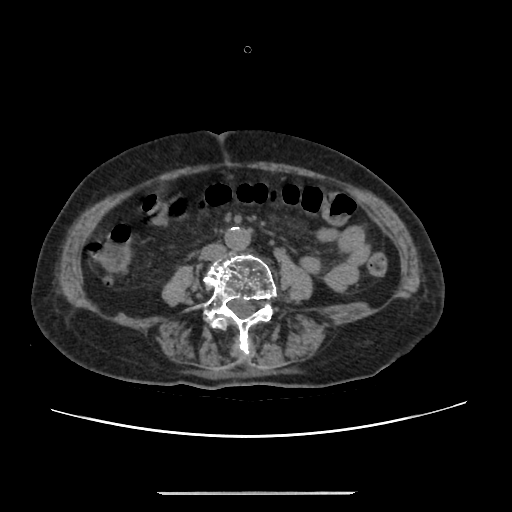

Computed tomography, abdomen; axial plane, index 174; soft-tissue window; 512x512 px; 14 organs annotated in this scan (a whole-scan count: organs this slice does not pass through have no box)
Bounding boxes in pixels, one row per box: x1, y1 is the top-left corner and x2, y2 the bottom-right.
| organ | x1 | y1 | x2 | y2 |
|---|---|---|---|---|
| aorta | 225 | 227 | 250 | 249 |
| inferior vena cava | 200 | 244 | 225 | 259 |